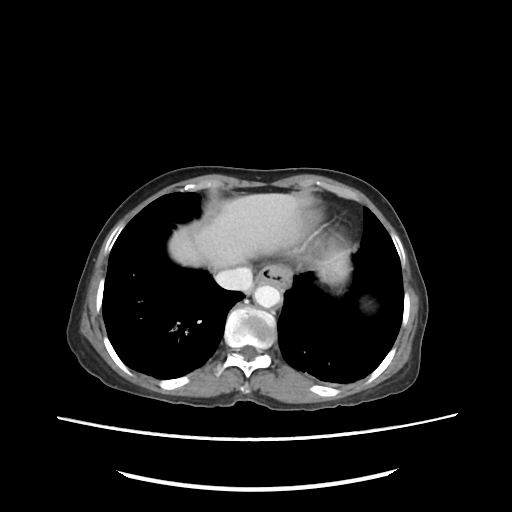 CT abdomen; axial view; W/L 400/40 HU; 512x512 px; 73-year-old female patient
Boxes are (x1, y1, x2, y2) in pixels.
esophagus: (255, 266, 293, 287)
liver: (171, 194, 301, 270)
aorta: (253, 286, 281, 308)
inferior vena cava: (214, 267, 252, 291)